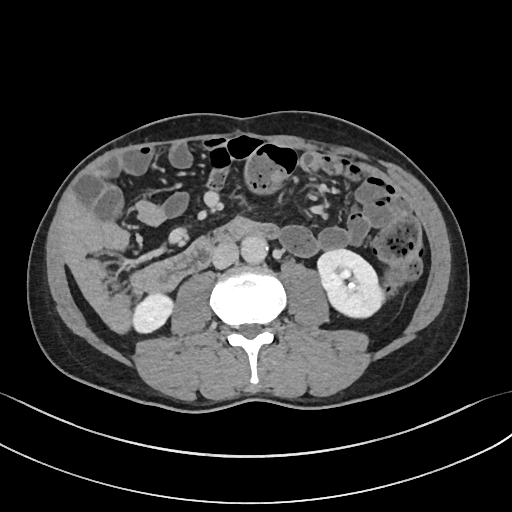
CT abdomen. Axial slice 134/230. 512x512 px. scan has 14 labeled organs (counted over the whole 3D scan, not this slice; an organ is boxed only where this slice passes through it)
Boxes: x1:y1:x2:y2 in pixels. Labeled organs on this slice: right kidney at 133:293:173:333, aorta at 241:235:268:263, left kidney at 317:248:384:317, inferior vena cava at 212:242:238:268.